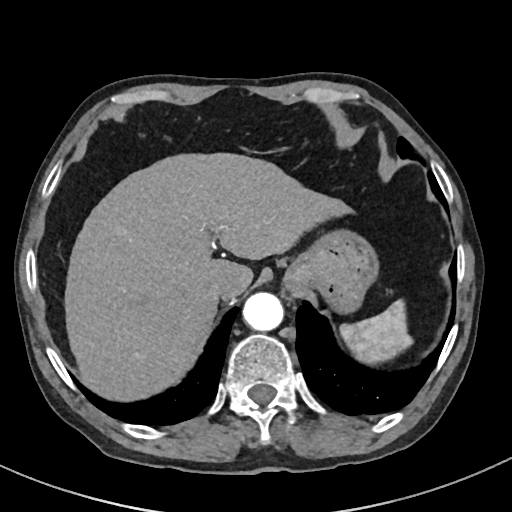
CT abdomen · axial plane, index 192 · abdomen soft-tissue window
Boxes: x1 y1 x2 y2 (pixel coords, space-separated).
spleen: 339 300 411 362
liver: 64 152 349 402
stomach: 286 228 377 313
aorta: 243 292 284 331
inferior vena cava: 208 281 226 300